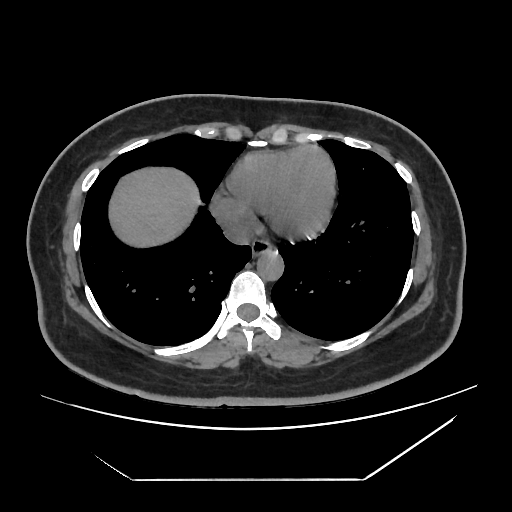
CT, abdomen/pelvis; axial plane, index 311; 512x512 px
Box edges are left/top/right/bottom in pixels.
esophagus: left=252, top=240, right=271, bottom=255
liver: left=107, top=166, right=202, bottom=249
aorta: left=257, top=250, right=283, bottom=279
inferior vena cava: left=224, top=223, right=253, bottom=245